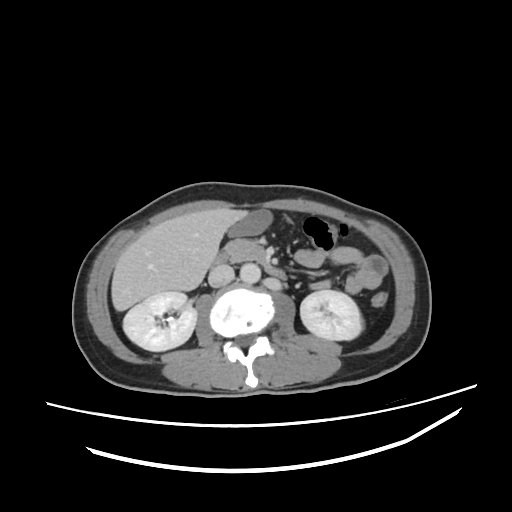 CT abdomen — Axial slice 60/131 — 512x512 px — 49-year-old male patient — acquired on Aquilion ONE — 15 organs annotated in this scan (counted over the whole 3D scan, not this slice; an organ is boxed only where this slice passes through it)
Organ boxes in pixel coordinates; each row gives the top-left (x1, y1) and bottom-right (x2, y2) corners.
| organ | x1 | y1 | x2 | y2 |
|---|---|---|---|---|
| right kidney | 123 | 291 | 196 | 351 |
| left kidney | 300 | 290 | 362 | 340 |
| gall bladder | 230 | 211 | 270 | 236 |
| liver | 111 | 208 | 247 | 311 |
| stomach | 230 | 234 | 235 | 235 |
| aorta | 240 | 263 | 260 | 283 |
| inferior vena cava | 208 | 264 | 234 | 287 |
| pancreas | 225 | 239 | 264 | 261 |
| duodenum | 213 | 251 | 286 | 279 |